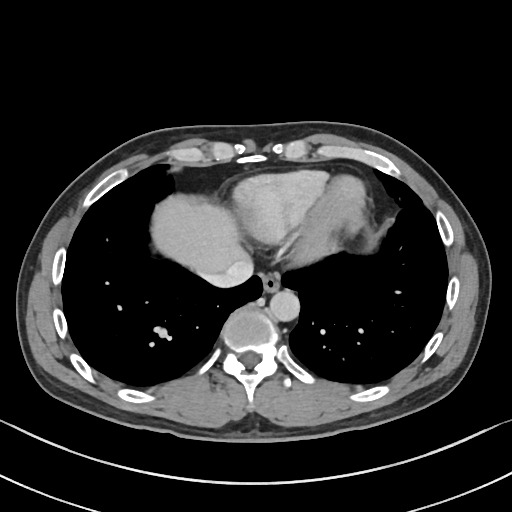

CT abdomen — axial view
Organ boxes in pixel coordinates; each row gives the top-left (x1, y1) and bottom-right (x2, y2) corners.
| organ | x1 | y1 | x2 | y2 |
|---|---|---|---|---|
| liver | 150 | 194 | 250 | 272 |
| esophagus | 261 | 274 | 279 | 293 |
| inferior vena cava | 198 | 260 | 253 | 288 |
| aorta | 270 | 291 | 299 | 321 |